CT, abdomen/pelvis; Axial slice 15/92; soft-tissue window (W 400 / L 40); 60-year-old female patient
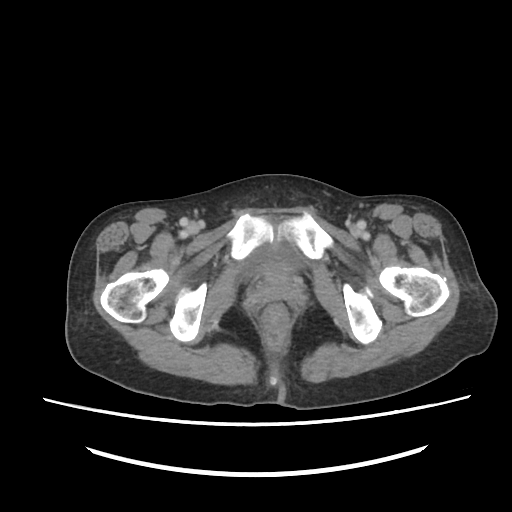

Box edges are left/top/right/bottom in pixels.
bladder: left=243, top=244, right=303, bottom=280